CT of the abdomen reaching into the lower chest, slice just above the liver and spleen — axial view — soft-tissue window (W 400 / L 40) — 512x512 px — acquired on SOMATOM Force
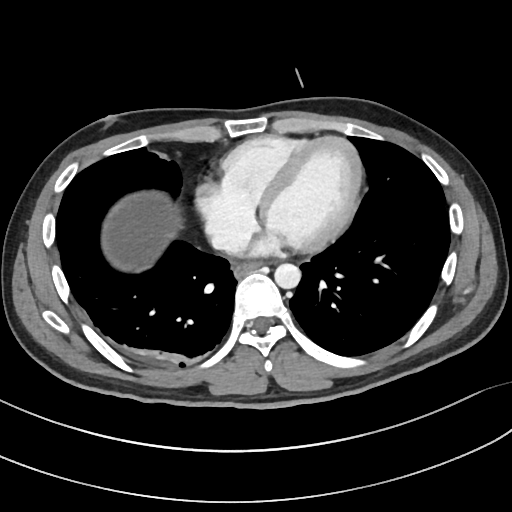
No part of the heart or lungs is labeled in this dataset, so neither has a box here.
Each box given as x1,y1,x2,y2.
Organ bounding boxes:
- esophagus: x1=234, y1=262, x2=259, y2=277
- aorta: x1=274, y1=263, x2=300, y2=289
- inferior vena cava: x1=212, y1=226, x2=250, y2=252